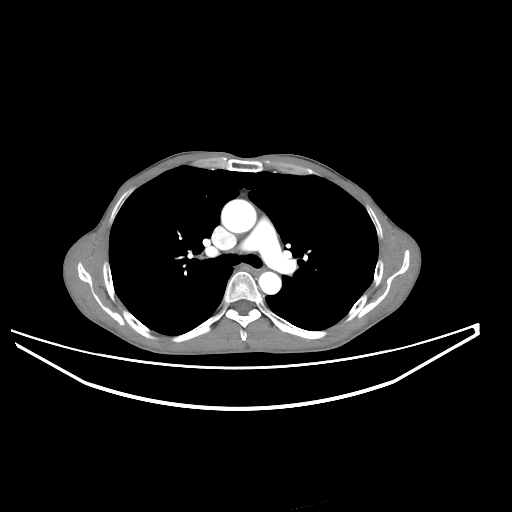
Chest-level CT slice, above the liver and spleen; axial view; soft-tissue window (W 400 / L 40); 60-year-old male patient
At this level of the chest this dataset labels only the esophagus and the aorta, and each is boxed only where it is labeled; the heart and lungs are never labeled.
Box edges are left/top/right/bottom in pixels.
Organ bounding boxes:
- esophagus: left=251, top=266, right=267, bottom=276
- aorta: left=221, top=199, right=256, bottom=233
- aorta: left=258, top=271, right=281, bottom=294